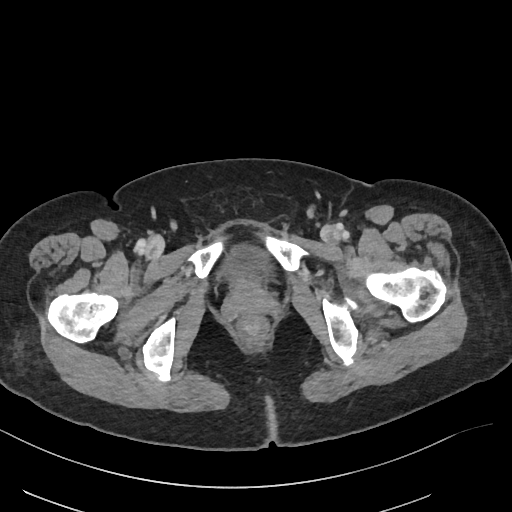 CT abdomen; Axial slice 22/244; soft-tissue window (W 400 / L 40)
Boxes are (x1, y1, x2, y2) in pixels. 1 labeled organ on this slice — bladder at (223, 246, 270, 276).